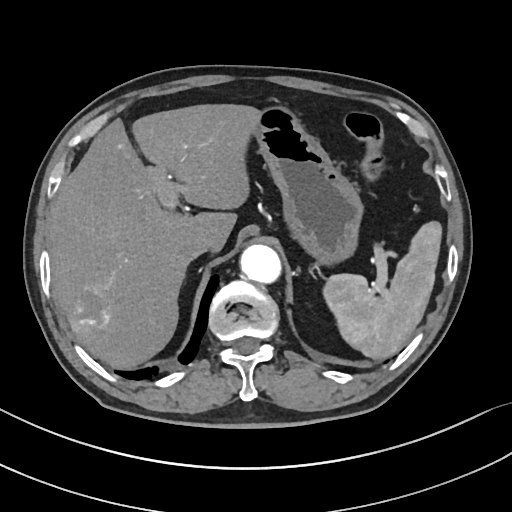

CT abdomen — axial view
Boxes are (x1, y1, x2, y2) in pixels. The annotated organs in this slice are: spleen at (323, 221, 442, 359), liver at (47, 104, 258, 368), stomach at (253, 105, 363, 265), aorta at (240, 245, 280, 282), inferior vena cava at (179, 233, 210, 260).